CT abdomen. axial view. soft-tissue window. 512x512 px. SOMATOM Force scanner
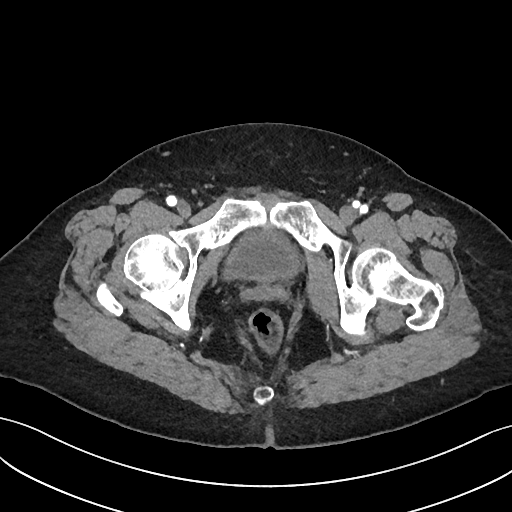

Organ boxes in pixel coordinates; each row gives the top-left (x1, y1) and bottom-right (x2, y2) corners.
| organ | x1 | y1 | x2 | y2 |
|---|---|---|---|---|
| bladder | 225 | 230 | 299 | 280 |